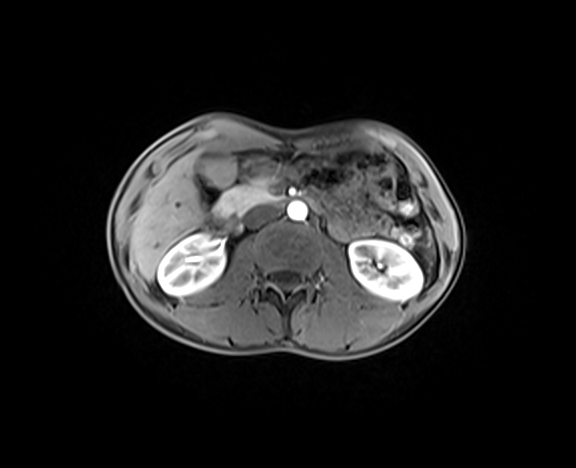

Magnetic resonance imaging, abdomen — axial view — percentile-normalized
Box edges are left/top/right/bottom in pixels. 9 labeled organs on this slice — left kidney at left=349, top=240, right=421, bottom=300; duodenum at left=210, top=194, right=320, bottom=231; aorta at left=287, top=202, right=307, bottom=220; inferior vena cava at left=245, top=205, right=279, bottom=227; liver at left=130, top=152, right=204, bottom=280; right kidney at left=157, top=233, right=225, bottom=295; stomach at left=236, top=148, right=357, bottom=167; gall bladder at left=199, top=152, right=235, bottom=187; pancreas at left=217, top=178, right=275, bottom=215.